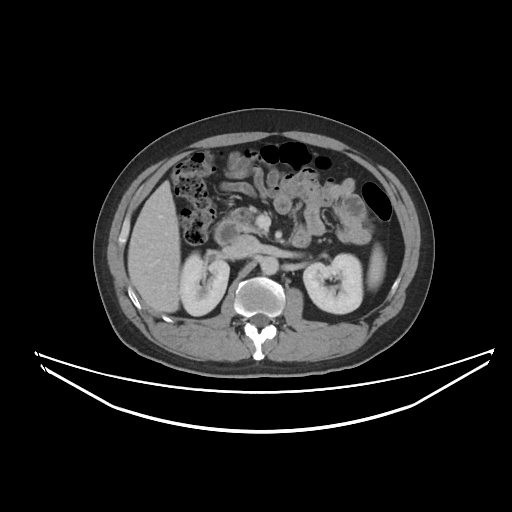 CT, abdomen/pelvis. axial plane, index 62. soft-tissue window. acquired on Aquilion ONE
{"organs":{"spleen":[367,245,384,289],"right kidney":[179,252,229,315],"left kidney":[303,254,362,313],"liver":[128,180,180,312],"aorta":[260,256,278,274],"inferior vena cava":[230,235,258,258],"pancreas":[239,211,266,235],"duodenum":[214,211,241,244]}}